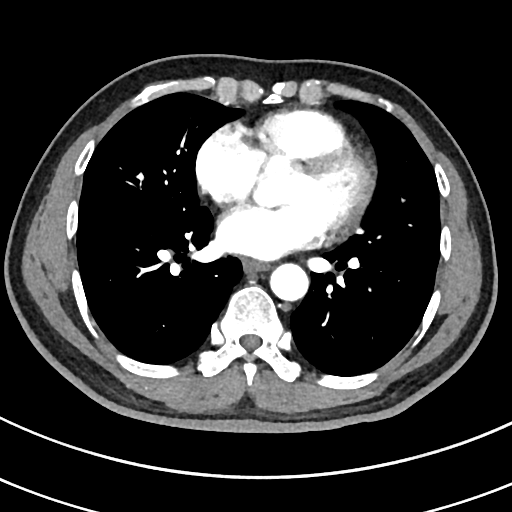 Chest-level CT slice, above the liver and spleen. axial plane, index 215. W/L 400/40 HU
At this level of the chest this dataset labels only the esophagus and the aorta, and each is boxed only where it is labeled; the heart and lungs are never labeled. Boxes are (x1, y1, x2, y2) in pixels. Labeled organs on this slice: esophagus at (242, 259, 268, 272), aorta at (270, 264, 308, 301).